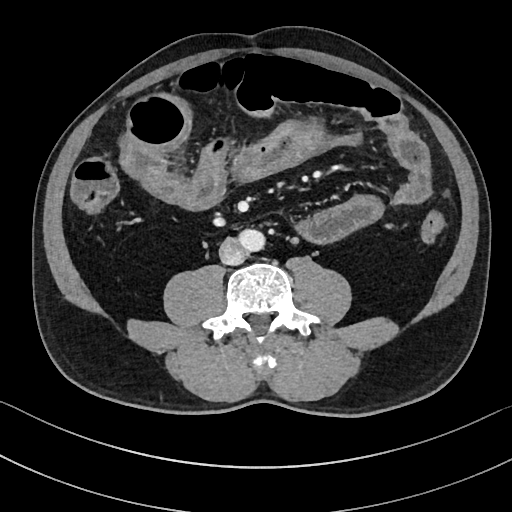 CT abdomen · axial view · abdomen soft-tissue window · 512x512 px
Organ boxes in pixel coordinates; each row gives the top-left (x1, y1) and bottom-right (x2, y2) corners.
| organ | x1 | y1 | x2 | y2 |
|---|---|---|---|---|
| aorta | 238 | 229 | 264 | 251 |
| inferior vena cava | 219 | 238 | 246 | 265 |